CT, abdomen/pelvis; axial view; W/L 400/40 HU
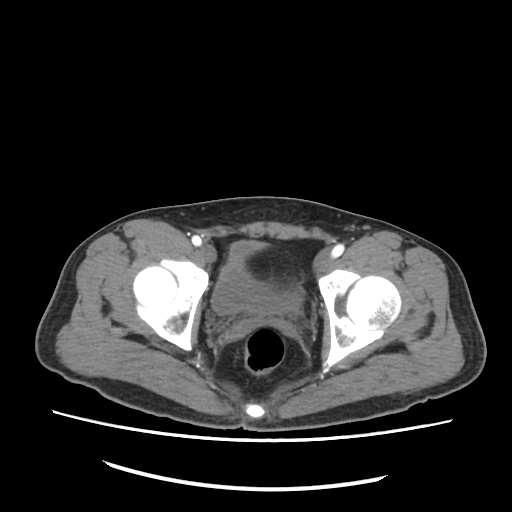 Boxes: x1:y1:x2:y2 in pixels.
Organ bounding boxes:
- bladder: 212:241:299:315